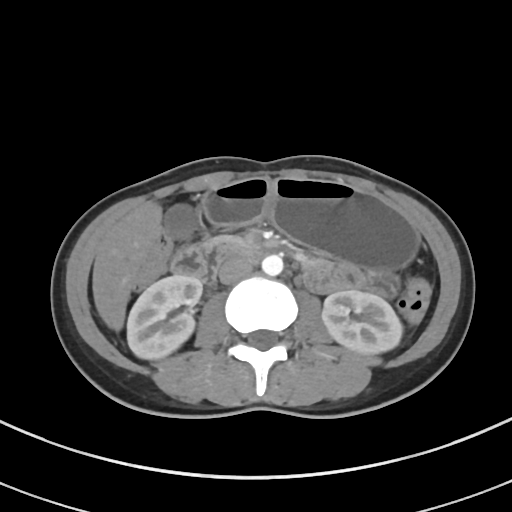 Computed tomography, abdomen; Axial slice 50/121; soft-tissue window; 512x512 px; scan has 15 labeled organs (a whole-scan count: organs this slice does not pass through have no box)
One row per box, in pixels: columns x1 and y1 give the top-left corner, x2 and y2 the bottom-right.
| organ | x1 | y1 | x2 | y2 |
|---|---|---|---|---|
| right kidney | 127 | 274 | 202 | 359 |
| left kidney | 322 | 290 | 402 | 353 |
| gall bladder | 164 | 204 | 196 | 239 |
| liver | 92 | 201 | 162 | 331 |
| stomach | 202 | 177 | 419 | 270 |
| aorta | 262 | 254 | 283 | 275 |
| inferior vena cava | 218 | 257 | 253 | 284 |
| pancreas | 230 | 237 | 251 | 245 |
| duodenum | 170 | 237 | 261 | 283 |